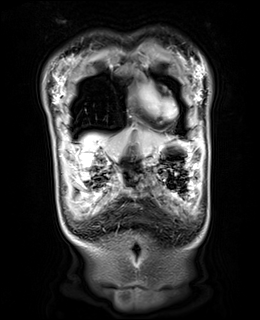
Magnetic resonance imaging, abdomen — coronal view
One row per box, in pixels: columns x1 and y1 give the top-left corner, x2 and y2 the bottom-right.
| organ | x1 | y1 | x2 | y2 |
|---|---|---|---|---|
| liver | 81 | 129 | 169 | 157 |
| stomach | 145 | 141 | 194 | 165 |